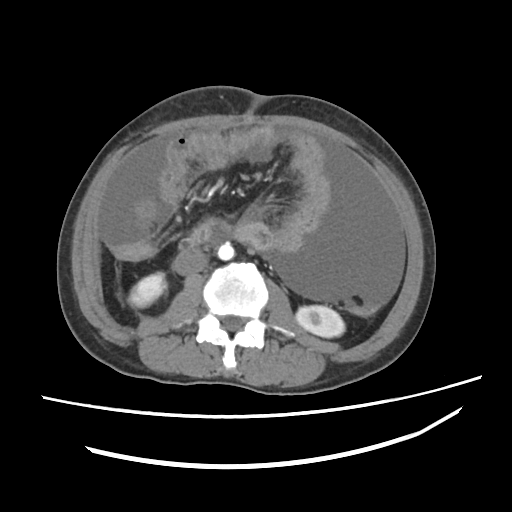 Computed tomography, abdomen — axial view — 512x512 px — scan has 15 labeled organs (a whole-scan count: organs this slice does not pass through have no box)
{"organs":{"duodenum":[181,222,271,251],"left kidney":[294,306,345,336],"aorta":[218,242,234,260],"right kidney":[128,271,167,306],"inferior vena cava":[174,248,208,274]}}